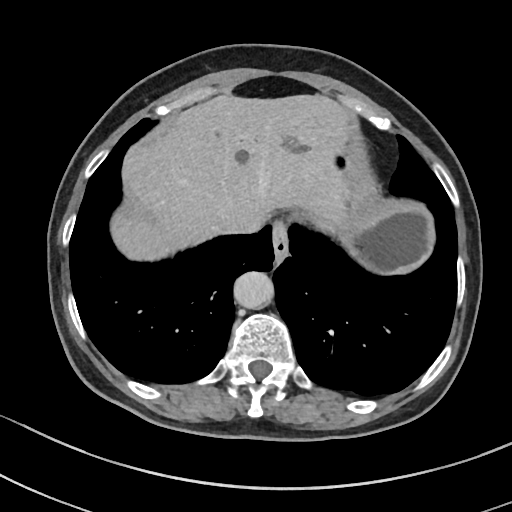 Computed tomography, abdomen; axial view; soft-tissue window
Each box given as x1,y1,x2,y2.
inferior vena cava: x1=219, y1=212, x2=264, y2=233
esophagus: x1=272, y1=221, x2=288, y2=263
liver: x1=112, y1=95, x2=349, y2=262
aorta: x1=234, y1=271, x2=275, y2=308
stomach: x1=339, y1=137, x2=433, y2=275